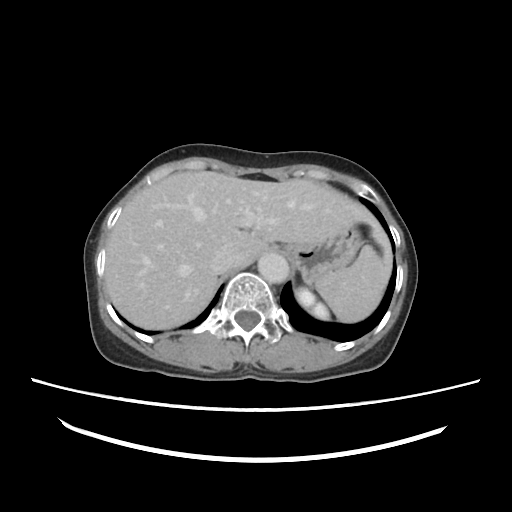 CT, abdomen/pelvis. axial view. 54-year-old female patient. scan has 15 labeled organs (a whole-scan count: organs this slice does not pass through have no box)
<organs><organ name="spleen" x1="314" y1="244" x2="386" y2="322"/><organ name="left kidney" x1="294" y1="287" x2="331" y2="321"/><organ name="liver" x1="105" y1="171" x2="392" y2="329"/><organ name="stomach" x1="280" y1="225" x2="363" y2="283"/><organ name="aorta" x1="258" y1="254" x2="288" y2="283"/><organ name="inferior vena cava" x1="211" y1="247" x2="245" y2="274"/></organs>